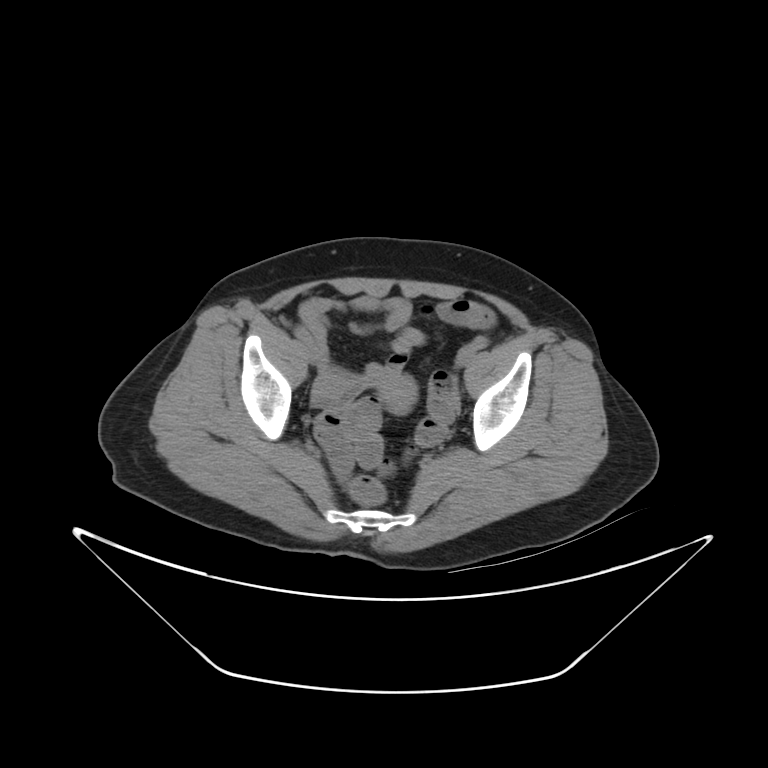

Abdominal CT — Axial slice 20/91
Boxes are (x1, y1, x2, y2) in pixels.
prostate/uterus: (383, 376, 416, 414)